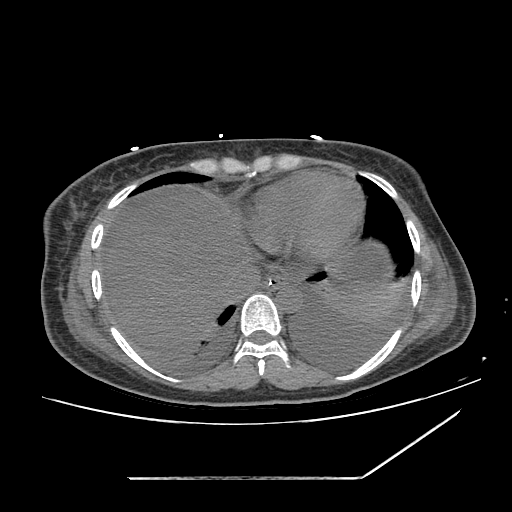

CT abdomen · axial view · W/L 400/40 HU
Boxes: x1:y1:x2:y2 in pixels.
liver: 103:192:249:348
stomach: 277:283:289:289
inferior vena cava: 225:261:260:297
esophagus: 261:274:295:289
aorta: 275:284:301:313